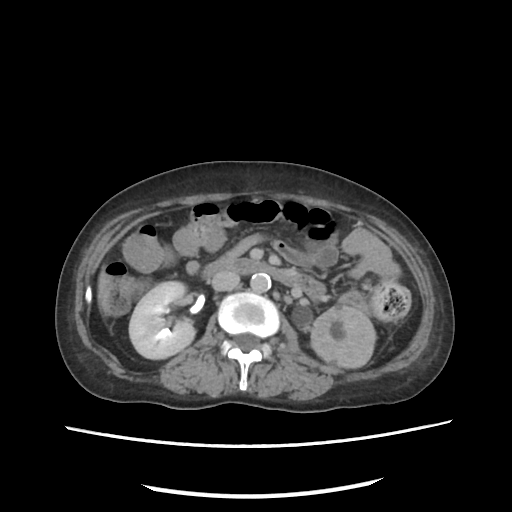
Abdominal CT. axial view. 52-year-old female patient. acquired on Aquilion ONE. 14 organs annotated in this scan (a whole-scan count: organs this slice does not pass through have no box)
<organs><organ name="right kidney" x1="129" y1="281" x2="195" y2="359"/><organ name="left kidney" x1="311" y1="306" x2="376" y2="367"/><organ name="liver" x1="97" y1="269" x2="110" y2="312"/><organ name="aorta" x1="250" y1="273" x2="271" y2="292"/><organ name="inferior vena cava" x1="211" y1="271" x2="239" y2="290"/><organ name="duodenum" x1="203" y1="257" x2="323" y2="298"/></organs>